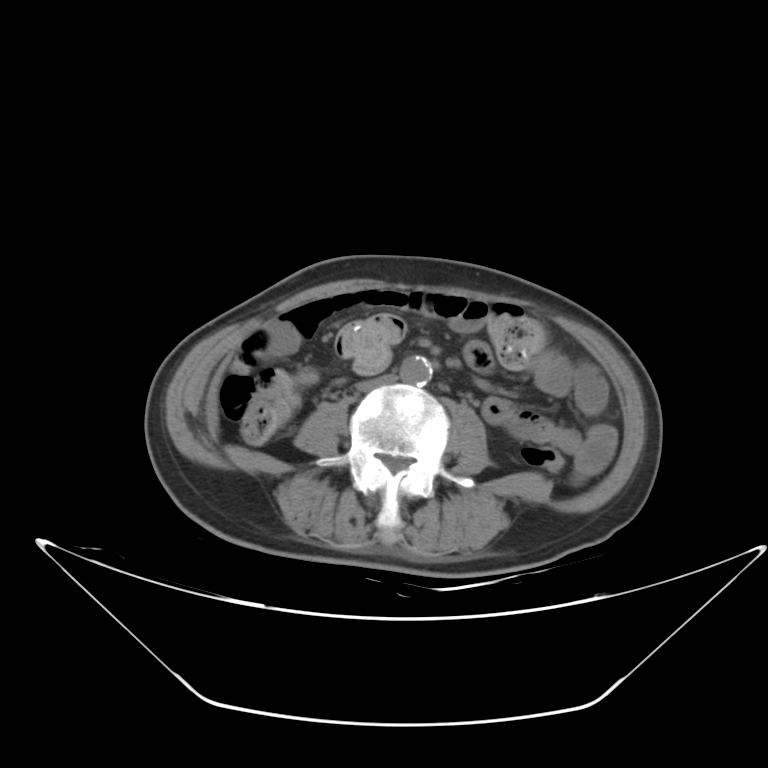 Abdominal CT — Axial slice 50/90 — 15 organs annotated in this scan (that count is for the whole scan; organs this slice misses have no box)
Coordinates as <box>x1,y1,x2,y2</box> in pixels. 2 labeled organs on this slice — aorta at <box>399,356,432,386</box>; inferior vena cava at <box>356,376,398,392</box>.